Abdominal CT; axial plane, index 162; 512x512 px
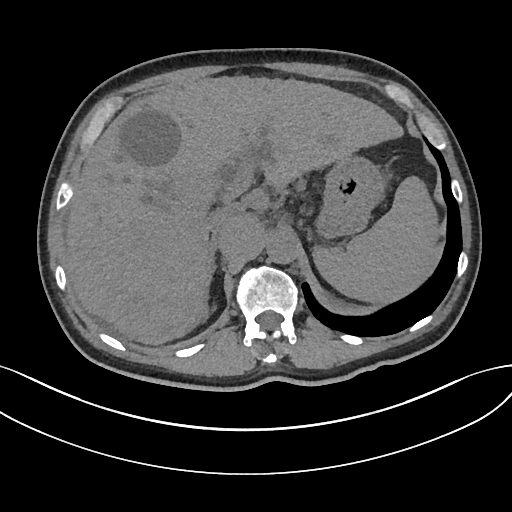 {"organs":{"spleen":[314,174,443,304],"liver":[65,75,402,344],"stomach":[317,156,385,238],"aorta":[266,233,295,263],"inferior vena cava":[205,206,233,236],"right adrenal gland":[210,238,217,273]}}